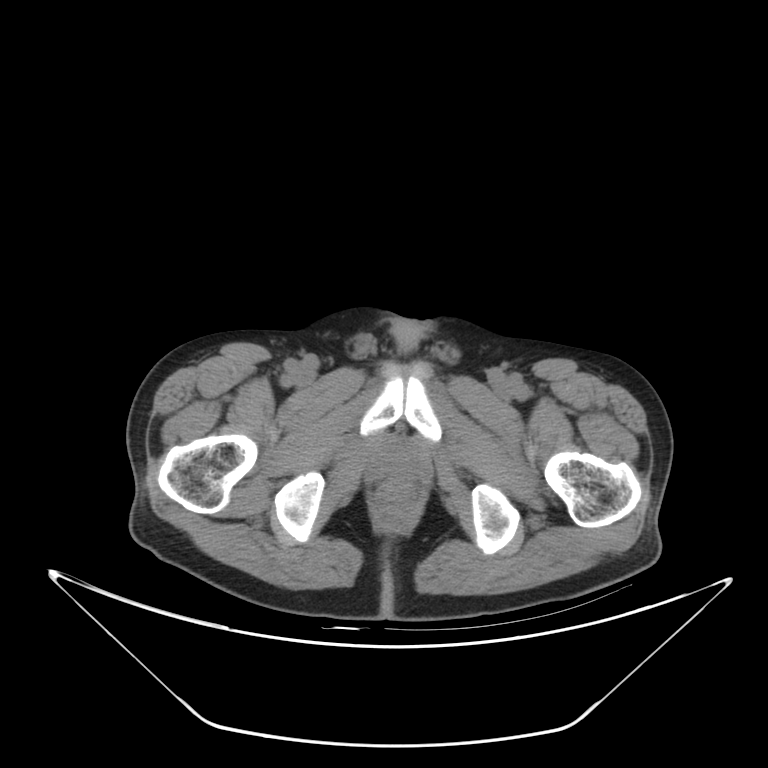

CT abdomen · axial view · 59-year-old male patient · 15 organs annotated in this scan (a whole-scan count: organs this slice does not pass through have no box)
<organs><organ name="prostate/uterus" x1="374" y1="442" x2="420" y2="479"/></organs>